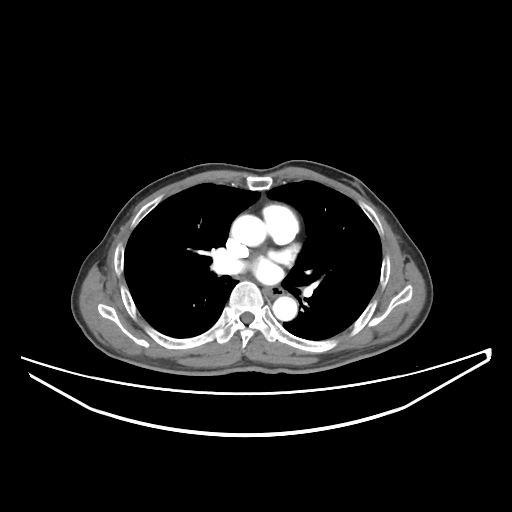

Chest-level CT slice, above the liver and spleen; axial plane, index 94; 62-year-old male patient
On a slice this high in the chest, this dataset labels only the esophagus and the aorta, and each is boxed only where it is labeled; the heart, lungs and other chest structures are not labeled.
Bounding boxes in pixels, one row per box: x1, y1 is the top-left corner and x2, y2 the bottom-right.
| organ | x1 | y1 | x2 | y2 |
|---|---|---|---|---|
| esophagus | 263 | 287 | 282 | 297 |
| aorta | 231 | 215 | 266 | 246 |
| aorta | 272 | 296 | 297 | 320 |